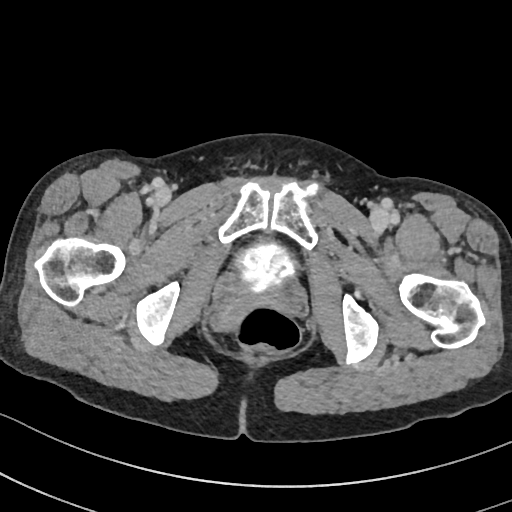
Abdominal CT — axial view
{"organs":{"prostate/uterus":[211,298,255,334],"bladder":[232,243,297,296]}}